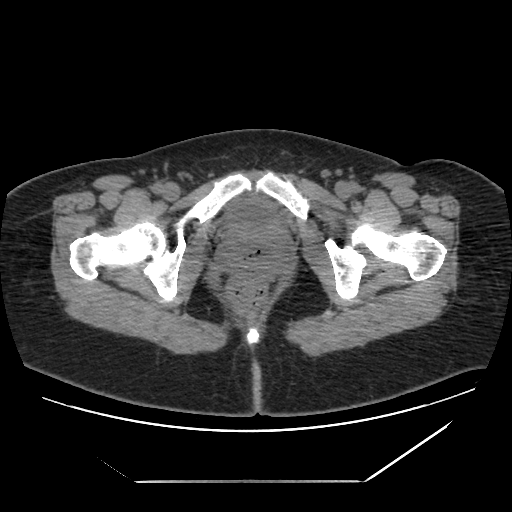

CT, abdomen/pelvis — Axial slice 17/345
Box edges are left/top/right/bottom in pixels.
bladder: left=221, top=195, right=281, bottom=232